Chest-level slice from an abdominal CT that extends up into the chest · Axial slice 247/302 · SOMATOM Force scanner
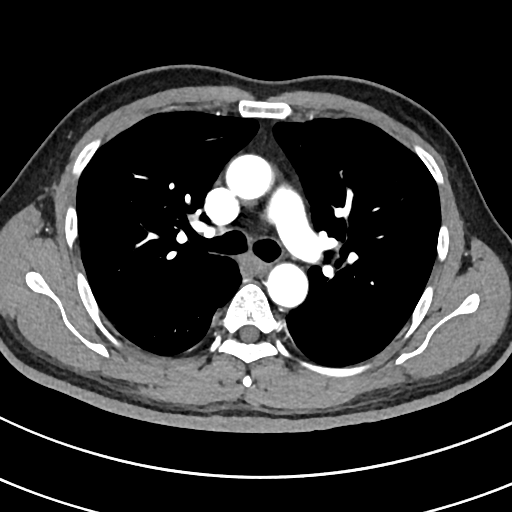 On a slice this high in the chest, this dataset labels only the esophagus and the aorta, and each is boxed only where it is labeled; the heart, lungs and other chest structures are not labeled.
Boxes are (x1, y1, x2, y2) in pixels.
Organ bounding boxes:
- aorta: (225, 154, 272, 199)
- aorta: (266, 265, 308, 308)
- esophagus: (243, 257, 268, 274)